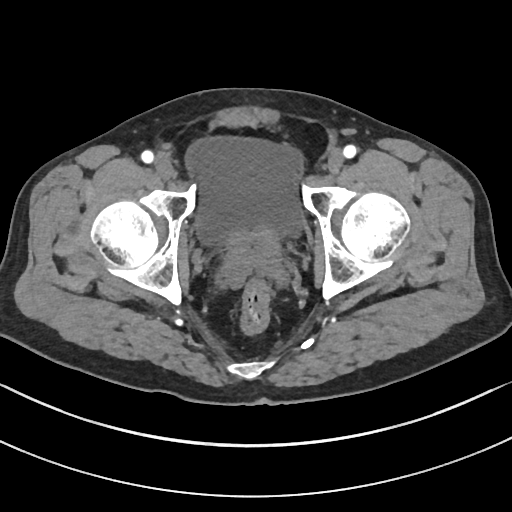

CT abdomen — axial view — 15 organs annotated in this scan (a whole-scan count: organs this slice does not pass through have no box)
One row per box, in pixels: columns x1 and y1 give the top-left corner, x2 and y2 the bottom-right.
| organ | x1 | y1 | x2 | y2 |
|---|---|---|---|---|
| bladder | 184 | 135 | 305 | 247 |
| prostate/uterus | 229 | 230 | 276 | 259 |